Computed tomography, abdomen. axial view. acquired on SOMATOM Force
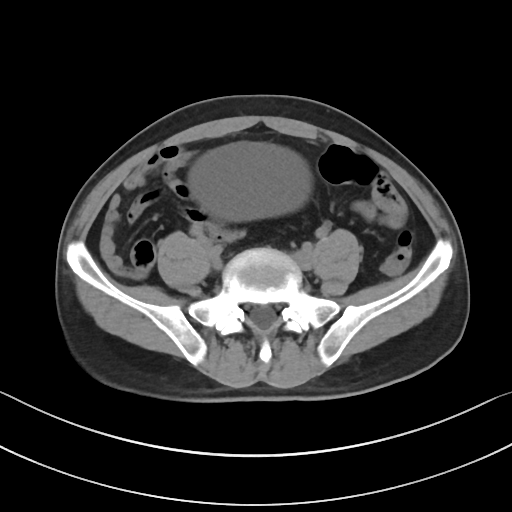
<organs><organ name="bladder" x1="189" y1="144" x2="305" y2="222"/></organs>